CT, abdomen/pelvis — axial view — 512x512 px
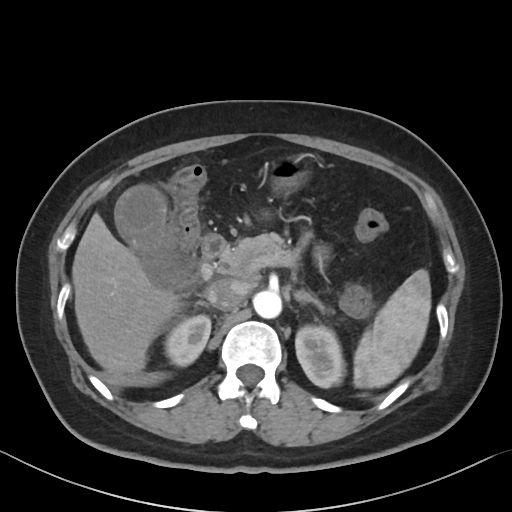 Bounding boxes in pixels, one row per box: x1, y1 is the top-left corner and x2, y2 the bottom-right.
| organ | x1 | y1 | x2 | y2 |
|---|---|---|---|---|
| pancreas | 218 | 233 | 289 | 278 |
| liver | 72 | 213 | 182 | 373 |
| aorta | 253 | 290 | 281 | 318 |
| spleen | 353 | 269 | 431 | 388 |
| gall bladder | 115 | 185 | 187 | 286 |
| right adrenal gland | 195 | 301 | 208 | 307 |
| right kidney | 164 | 314 | 211 | 366 |
| inferior vena cava | 204 | 279 | 246 | 310 |
| left kidney | 295 | 325 | 345 | 387 |
| left adrenal gland | 295 | 290 | 322 | 309 |
| duodenum | 202 | 234 | 227 | 259 |
| stomach | 267 | 155 | 311 | 193 |